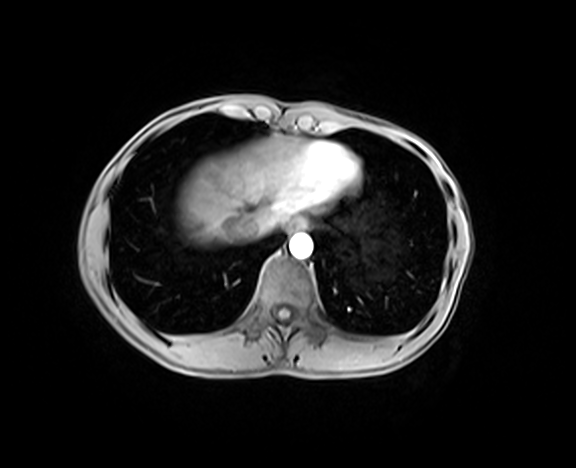

Magnetic resonance imaging, abdomen. Axial slice 65/72
Boxes: x1:y1:x2:y2 in pixels.
Organ bounding boxes:
- esophagus: 287:218:308:232
- liver: 179:135:332:243
- aorta: 289:234:313:258
- inferior vena cava: 225:217:260:241